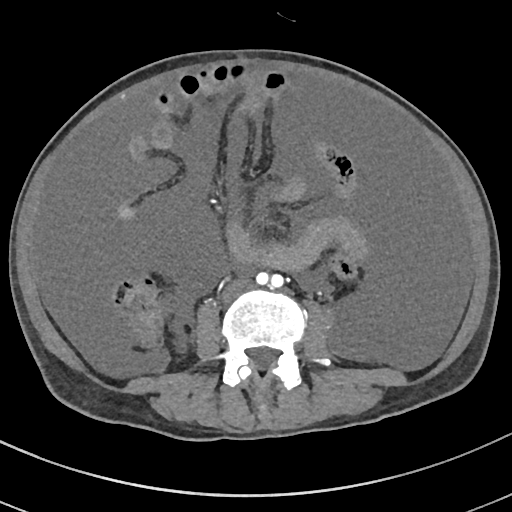
Abdominal CT · axial view · acquired on SOMATOM Force · 15 organs annotated in this scan (that count is for the whole scan; organs this slice misses have no box)
{"organs":{"inferior vena cava":[221,279,253,303]}}